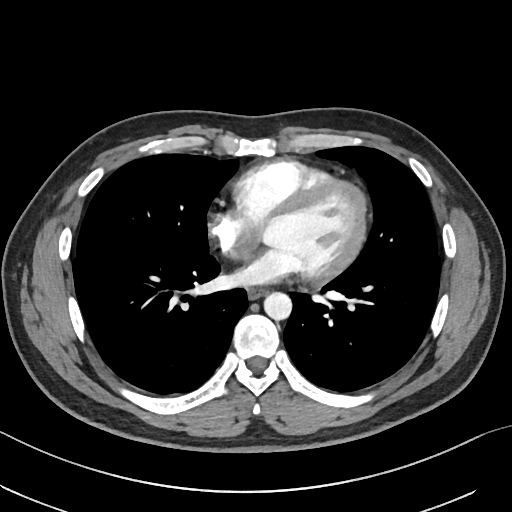

CT of the abdomen reaching into the lower chest, slice just above the liver and spleen. axial view. soft-tissue window, W/L 400/40. SOMATOM Force scanner
Of the structures in the chest, this dataset labels only the esophagus, the aorta and the inferior vena cava; the heart and lungs have no label.
Box edges are left/top/right/bottom in pixels.
esophagus: left=247, top=287, right=266, bottom=298
aorta: left=263, top=291, right=291, bottom=319